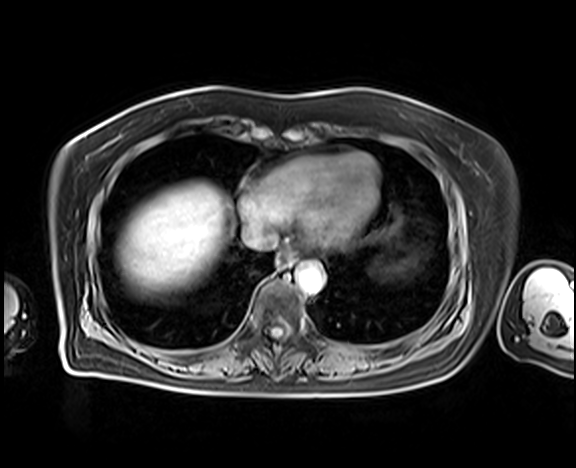
MRI, abdomen. axial view. percentile-normalized. scan has 12 labeled organs (that count is for the whole scan; organs this slice misses have no box)
Organ boxes in pixel coordinates; each row gives the top-left (x1, y1) and bottom-right (x2, y2) corners.
| organ | x1 | y1 | x2 | y2 |
|---|---|---|---|---|
| esophagus | 278 | 253 | 294 | 268 |
| aorta | 296 | 263 | 324 | 294 |
| inferior vena cava | 242 | 223 | 277 | 250 |
| liver | 117 | 182 | 231 | 293 |